Abdominal CT; this slice is in the lower chest, just above the liver · axial view
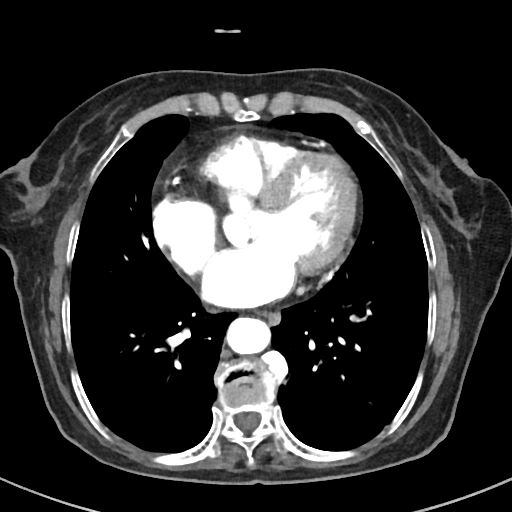
No part of the heart or lungs is labeled in this dataset, so neither has a box here.
Organ boxes in pixel coordinates; each row gives the top-left (x1, y1) and bottom-right (x2, y2) corners.
| organ | x1 | y1 | x2 | y2 |
|---|---|---|---|---|
| aorta | 226 | 317 | 270 | 354 |
| esophagus | 259 | 311 | 281 | 326 |